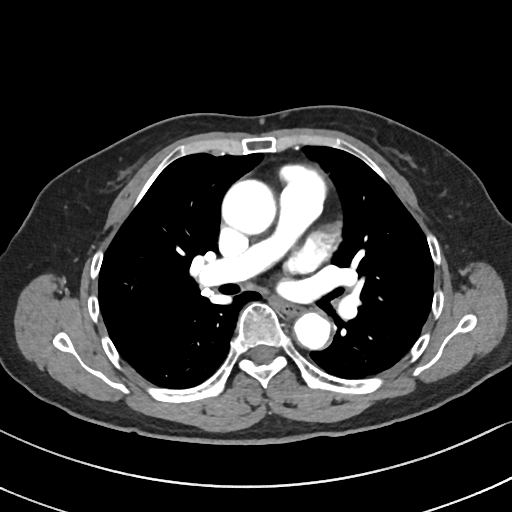 Chest-level slice from an abdominal CT that extends up into the chest · axial view · 512x512 px · SOMATOM Force scanner
On a slice this high in the chest, this dataset labels only the esophagus and the aorta, and each is boxed only where it is labeled; the heart, lungs and other chest structures are not labeled.
Box edges are left/top/right/bottom in pixels.
Organ bounding boxes:
- esophagus: left=279, top=303, right=302, bottom=315
- aorta: left=222, top=180, right=275, bottom=235
- aorta: left=294, top=312, right=330, bottom=349